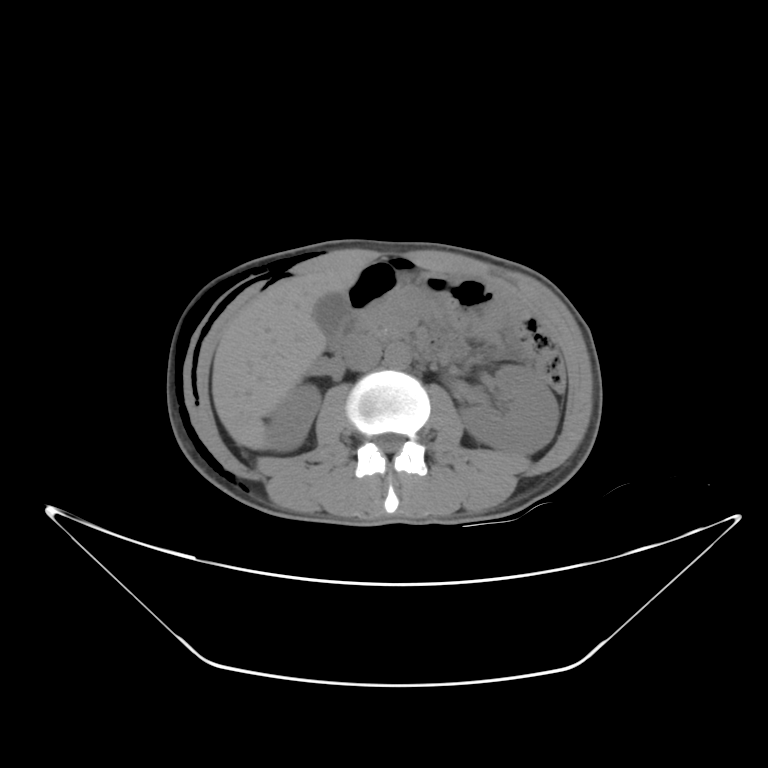

CT, abdomen/pelvis · axial view · 768x768 px
Each box given as x1,y1,x2,y2.
inferior vena cava: x1=341, y1=337, x2=379, y2=368
gall bladder: x1=315, y1=295, x2=349, y2=337
aorta: x1=383, y1=345, x2=410, y2=368
duodenum: x1=343, y1=309, x2=465, y2=361
spleen: x1=460, y1=368, x2=541, y2=455
liver: x1=212, y1=262, x2=364, y2=447
right kidney: x1=267, y1=386, x2=318, y2=450
pancreas: x1=370, y1=288, x2=444, y2=342
left kidney: x1=460, y1=365, x2=557, y2=453
stomach: x1=348, y1=259, x2=502, y2=329